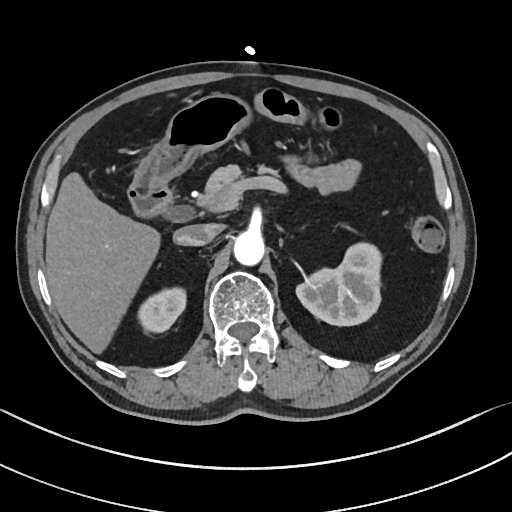 Computed tomography, abdomen. axial view. 512x512 px. acquired on SOMATOM Force. 15 organs annotated in this scan (that count is for the whole scan; organs this slice misses have no box)
{"organs":{"right kidney":[138,286,187,331],"left kidney":[295,244,381,326],"liver":[45,172,160,354],"stomach":[134,93,248,189],"aorta":[233,231,265,266],"inferior vena cava":[173,224,219,246],"pancreas":[202,164,280,207],"duodenum":[127,183,170,216]}}